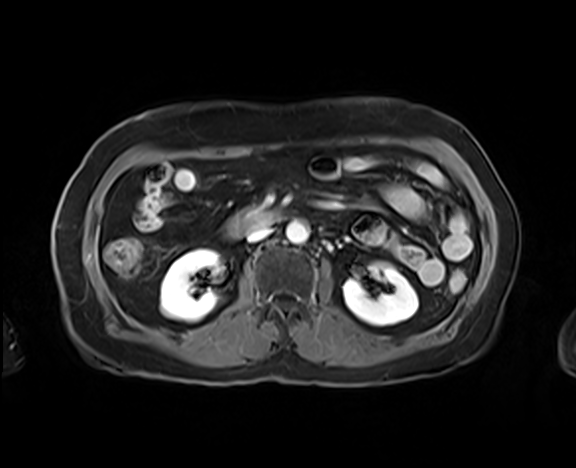
Magnetic resonance imaging, abdomen — axial view — percentile-normalized
Coordinates as <box>x1,y1,x2,y2</box> in pixels.
right kidney: <box>160,249,220,321</box>
left kidney: <box>343,263,418,325</box>
aorta: <box>286,221,308,244</box>
inferior vena cava: <box>247,227,271,242</box>
duodenum: <box>229,209,278,236</box>